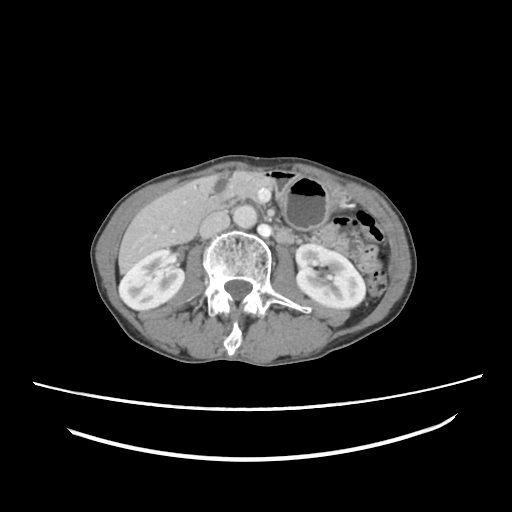 Abdominal CT. axial plane, index 50
{"organs":{"right kidney":[119,249,184,310],"left kidney":[296,243,365,308],"gall bladder":[212,176,229,194],"liver":[118,175,218,273],"stomach":[265,172,345,230],"aorta":[233,205,257,228],"inferior vena cava":[199,211,229,237],"pancreas":[219,172,268,199],"duodenum":[202,196,293,242]}}